CT, abdomen/pelvis; Axial slice 61/87; soft-tissue window (W 400 / L 40); Brilliance16 scanner
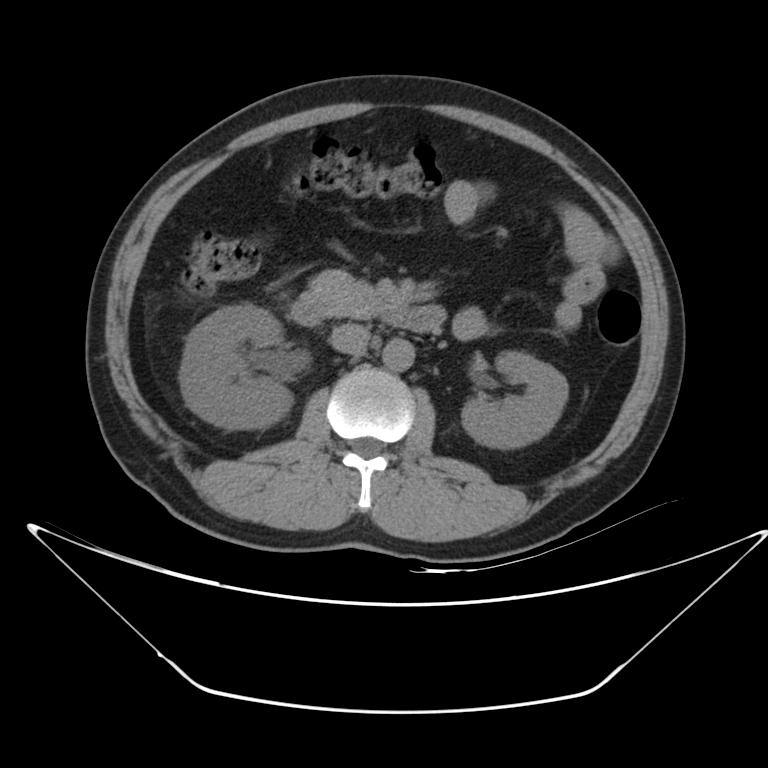

<organs><organ name="aorta" x1="383" y1="338" x2="415" y2="372"/><organ name="left kidney" x1="462" y1="351" x2="568" y2="448"/><organ name="duodenum" x1="291" y1="295" x2="446" y2="332"/><organ name="right kidney" x1="179" y1="303" x2="293" y2="428"/><organ name="pancreas" x1="307" y1="270" x2="394" y2="317"/><organ name="inferior vena cava" x1="330" y1="323" x2="369" y2="354"/></organs>